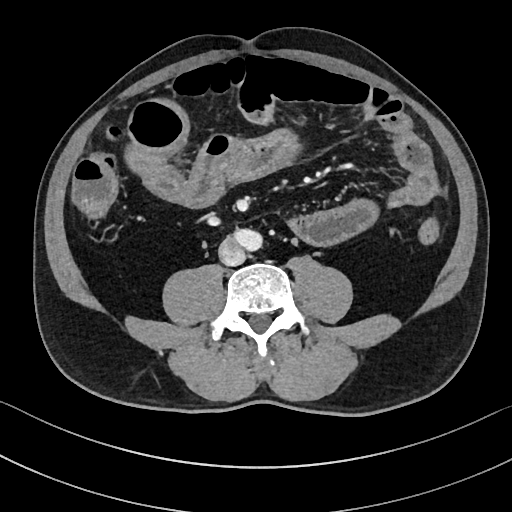
Computed tomography, abdomen; Axial slice 105/232
Boxes: x1:y1:x2:y2 in pixels. 1 labeled organ on this slice — inferior vena cava at 218:238:246:265.